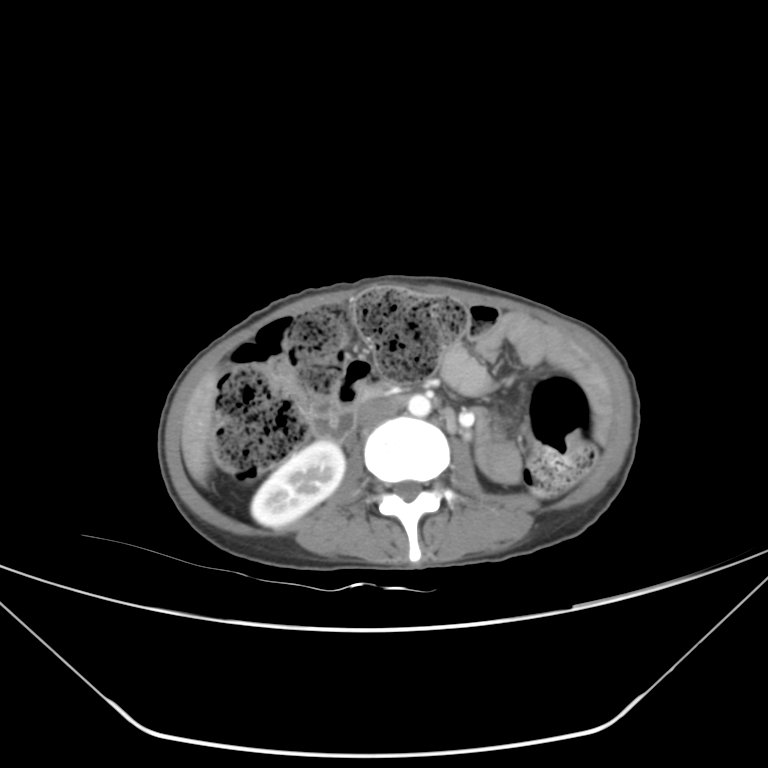
CT, abdomen/pelvis. Axial slice 51/89. W/L 400/40 HU. 32-year-old female patient
<organs><organ name="inferior vena cava" x1="359" y1="398" x2="401" y2="427"/><organ name="right kidney" x1="251" y1="440" x2="345" y2="527"/><organ name="liver" x1="181" y1="372" x2="217" y2="484"/><organ name="aorta" x1="407" y1="394" x2="431" y2="416"/><organ name="duodenum" x1="352" y1="384" x2="386" y2="413"/></organs>